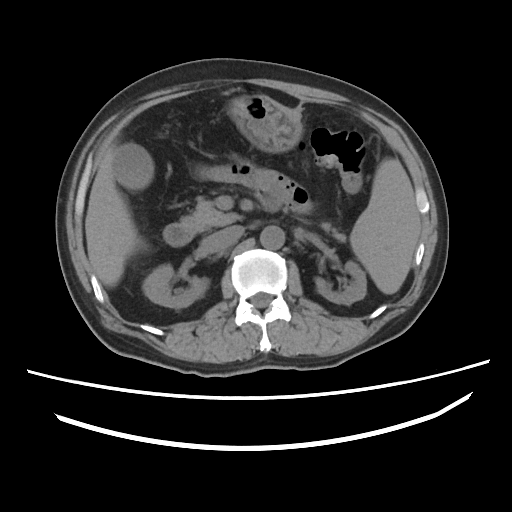 Abdominal CT; axial plane, index 71; soft-tissue window (W 400 / L 40); 512x512 px
Box edges are left/top/right/bottom in pixels.
spleen: left=350, top=158, right=421, bottom=294
right kidney: left=143, top=267, right=208, bottom=308
left kidney: left=315, top=261, right=366, bottom=304
gall bladder: left=113, top=143, right=153, bottom=189
liver: left=85, top=152, right=143, bottom=286
stomach: left=228, top=95, right=302, bottom=152
aorta: left=260, top=225, right=284, bottom=249
inferior vena cava: left=202, top=226, right=242, bottom=253
pancreas: left=181, top=198, right=343, bottom=239
duodenum: left=163, top=193, right=279, bottom=246